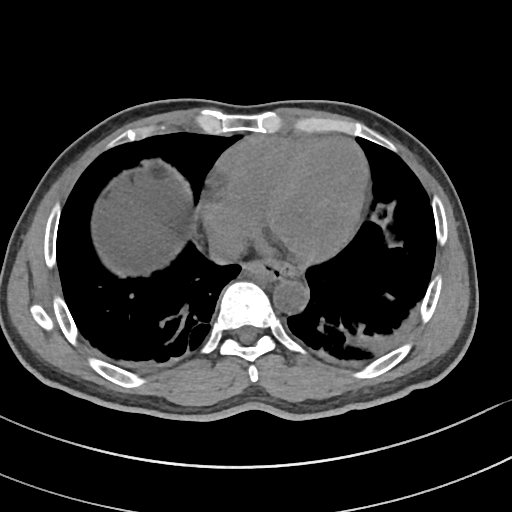
Lower-chest slice from an abdominal CT, just above the liver and spleen — axial view — SOMATOM Force scanner — scan has 15 labeled organs (counted over the whole 3D scan, not this slice; an organ is boxed only where this slice passes through it)
The heart and lungs are never labeled in this dataset, so they have no box on this slice.
Each box given as x1,y1,x2,y2.
Organ bounding boxes:
- esophagus: x1=242, y1=260, x2=298, y2=280
- aorta: x1=273, y1=278, x2=308, y2=313
- inferior vena cava: x1=209, y1=231, x2=246, y2=264